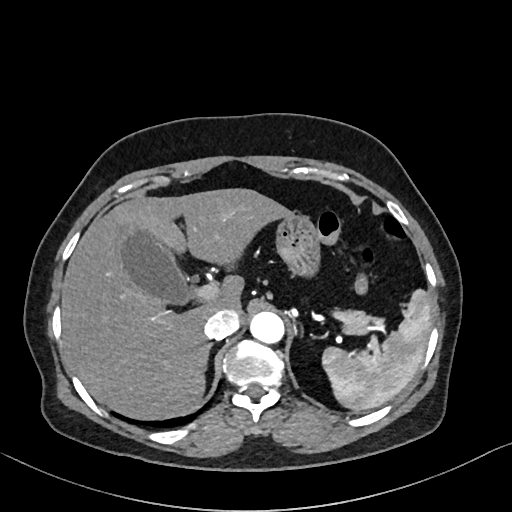

Abdominal CT · axial view
One row per box, in pixels: columns x1 and y1 give the top-left corner, x2 and y2 the bottom-right.
| organ | x1 | y1 | x2 | y2 |
|---|---|---|---|---|
| right adrenal gland | 203 | 345 | 211 | 365 |
| spleen | 321 | 289 | 431 | 412 |
| aorta | 251 | 312 | 285 | 344 |
| inferior vena cava | 203 | 309 | 239 | 340 |
| liver | 61 | 187 | 292 | 418 |
| pancreas | 343 | 311 | 368 | 333 |
| gall bladder | 118 | 229 | 187 | 302 |
| stomach | 277 | 213 | 322 | 279 |